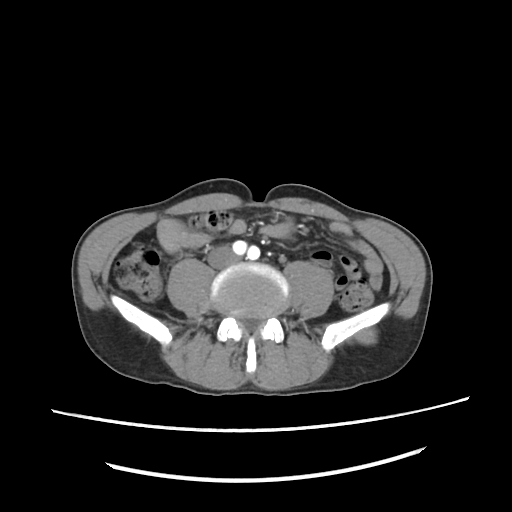
Abdominal CT. axial view. 512x512 px. 55-year-old male patient
<organs><organ name="inferior vena cava" x1="214" y1="248" x2="233" y2="254"/></organs>